Lower-chest slice from an abdominal CT, just above the liver and spleen · axial plane, index 208 · SOMATOM Force scanner
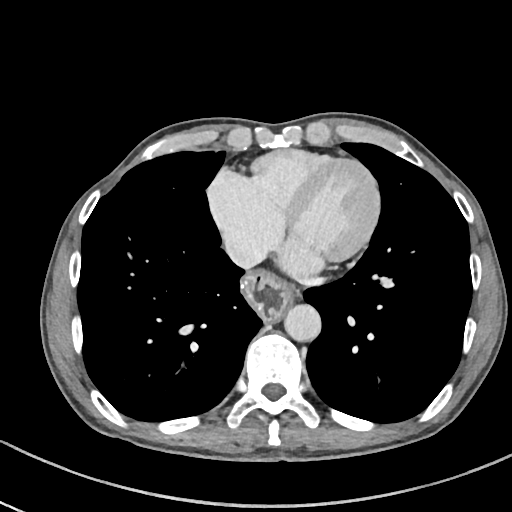

No part of the heart or lungs is labeled in this dataset, so neither has a box here.
One row per box, in pixels: columns x1 and y1 give the top-left corner, x2 and y2 the bottom-right.
| organ | x1 | y1 | x2 | y2 |
|---|---|---|---|---|
| esophagus | 243 | 271 | 295 | 320 |
| aorta | 284 | 305 | 321 | 341 |
| inferior vena cava | 226 | 236 | 261 | 267 |